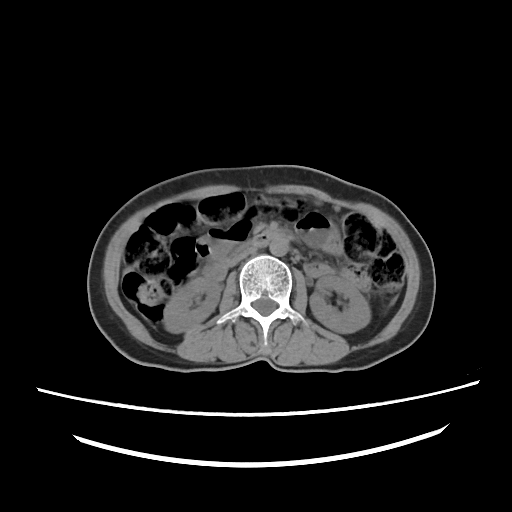 CT abdomen. axial plane, index 49. 512x512 px
{"organs":{"right kidney":[163,277,221,332],"left kidney":[309,275,370,333],"aorta":[269,238,288,256],"inferior vena cava":[226,246,257,266],"duodenum":[254,229,292,246]}}